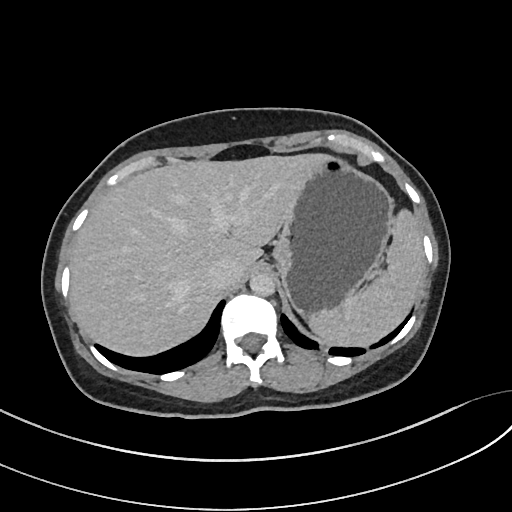
Computed tomography, abdomen; axial view; 512x512 px; scan has 15 labeled organs (counted over the whole 3D scan, not this slice; an organ is boxed only where this slice passes through it)
One row per box, in pixels: columns x1 and y1 give the top-left corner, x2 and y2 the bottom-right.
| organ | x1 | y1 | x2 | y2 |
|---|---|---|---|---|
| spleen | 308 | 210 | 425 | 346 |
| liver | 69 | 153 | 320 | 357 |
| stomach | 275 | 153 | 394 | 316 |
| aorta | 249 | 272 | 274 | 296 |
| inferior vena cava | 206 | 260 | 239 | 290 |